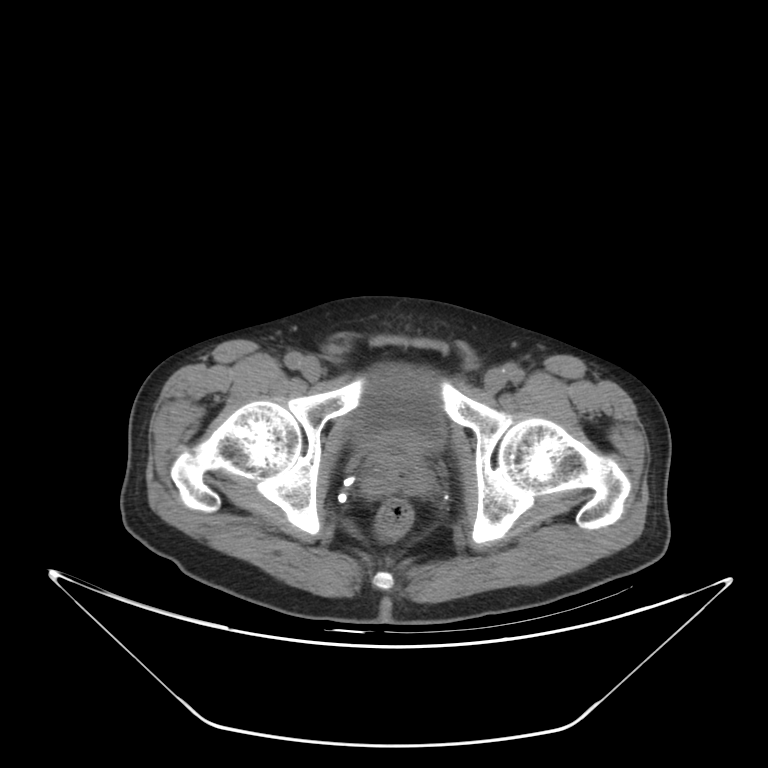 Abdominal CT · axial view · soft-tissue window (W 400 / L 40) · 768x768 px
Boxes: x1:y1:x2:y2 in pixels. 2 labeled organs on this slice — bladder at 354:365:443:444; prostate/uterus at 369:437:424:476.